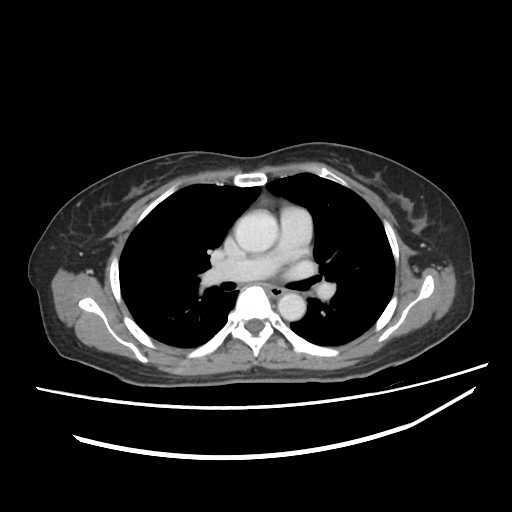
Abdominal CT reaching into the chest; this slice is in the chest; Axial slice 100/118; 54-year-old female patient
At this level of the chest no structure but the esophagus and the aorta has a label in this dataset, and those two are boxed only where they are labeled. Boxes are (x1, y1, x2, y2) in pixels. Labeled organs on this slice: esophagus at (268, 287, 284, 295), aorta at (234, 209, 278, 253), aorta at (277, 293, 305, 320).